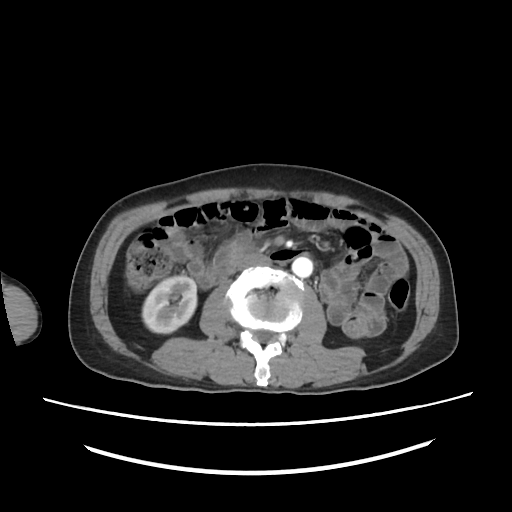 CT, abdomen/pelvis · axial view · abdomen soft-tissue window · 512x512 px
Boxes: x1 y1 x2 y2 (pixel coords, space-separated). Labeled organs on this slice: right kidney at 143 275 197 333, aorta at 293 256 312 278, inferior vena cava at 235 253 270 270.